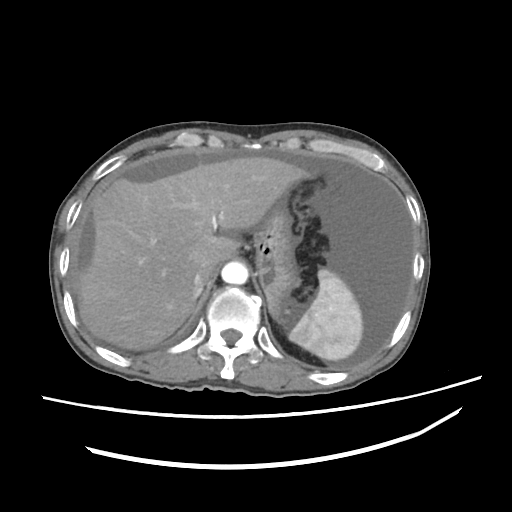

Computed tomography, abdomen — axial view — 15 organs annotated in this scan (counted over the whole 3D scan, not this slice; an organ is boxed only where this slice passes through it)
<organs><organ name="inferior vena cava" x1="193" y1="269" x2="204" y2="293"/><organ name="liver" x1="76" y1="158" x2="312" y2="348"/><organ name="stomach" x1="255" y1="207" x2="296" y2="323"/><organ name="aorta" x1="222" y1="261" x2="248" y2="285"/><organ name="spleen" x1="289" y1="268" x2="362" y2="361"/></organs>